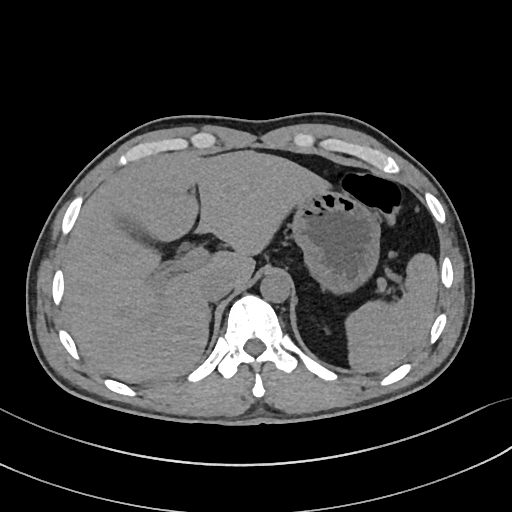 Computed tomography, abdomen · axial view · W/L 400/40 HU · acquired on SOMATOM Force
Boxes are (x1, y1, x2, y2) in pixels.
Organ bounding boxes:
- spleen: (347, 253, 439, 372)
- gall bladder: (117, 214, 160, 252)
- liver: (63, 150, 326, 382)
- stomach: (290, 189, 380, 289)
- aorta: (260, 271, 291, 302)
- inferior vena cava: (199, 269, 234, 301)